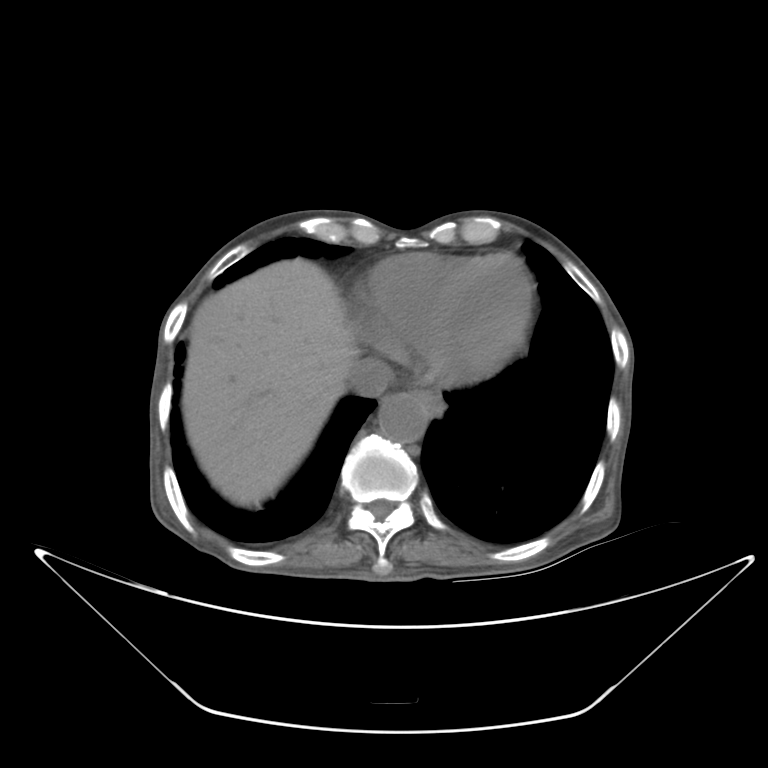 Computed tomography, abdomen; axial view; soft-tissue window (W 400 / L 40)
{"organs":{"aorta":[379,392,431,442],"esophagus":[417,387,447,412],"inferior vena cava":[348,357,391,398],"liver":[182,259,353,506]}}